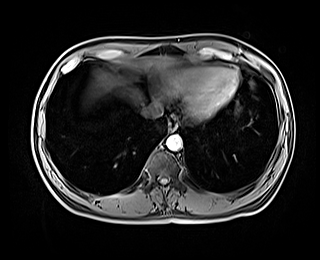 MRI, abdomen — axial view — 320x260 px
<organs><organ name="esophagus" x1="168" y1="117" x2="177" y2="130"/><organ name="liver" x1="84" y1="57" x2="178" y2="102"/><organ name="aorta" x1="166" y1="134" x2="182" y2="150"/><organ name="inferior vena cava" x1="142" y1="102" x2="163" y2="118"/></organs>